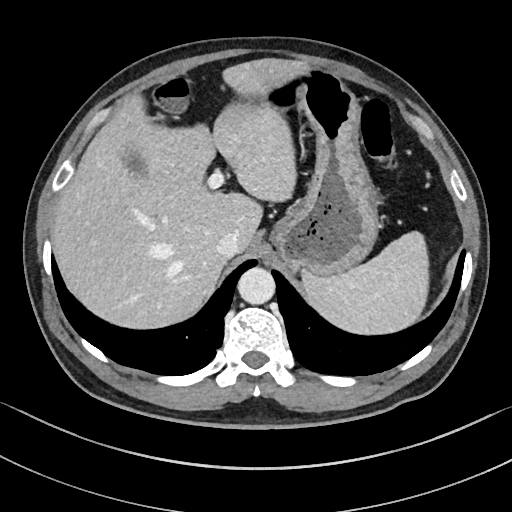 Computed tomography, abdomen · axial view · acquired on SOMATOM Force
<organs><organ name="spleen" x1="300" y1="230" x2="429" y2="334"/><organ name="stomach" x1="257" y1="62" x2="379" y2="277"/><organ name="liver" x1="52" y1="57" x2="298" y2="331"/><organ name="inferior vena cava" x1="216" y1="232" x2="240" y2="259"/><organ name="aorta" x1="237" y1="267" x2="274" y2="305"/><organ name="gall bladder" x1="122" y1="147" x2="145" y2="175"/></organs>